CT abdomen · axial view · 768x768 px · Brilliance16 scanner · scan has 15 labeled organs (that count is for the whole scan; organs this slice misses have no box)
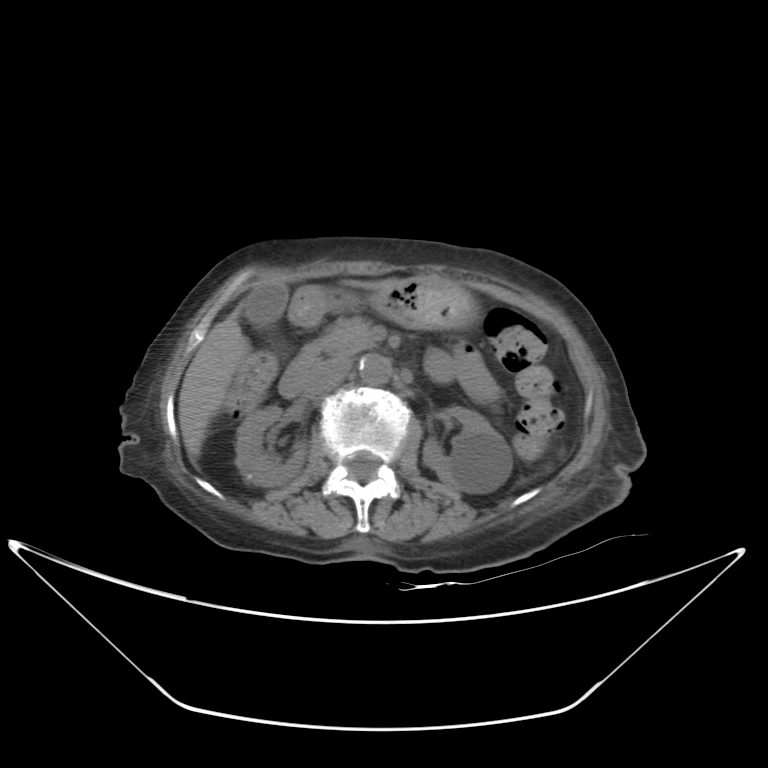

Boxes: x1:y1:x2:y2 in pixels.
right kidney: 236:406:308:487
left kidney: 423:406:511:494
gall bladder: 243:279:288:324
liver: 178:279:401:459
stomach: 289:276:477:329
aorta: 359:355:391:384
inferior vena cava: 308:361:351:394
pancreas: 320:316:372:357
duodenum: 278:340:321:398